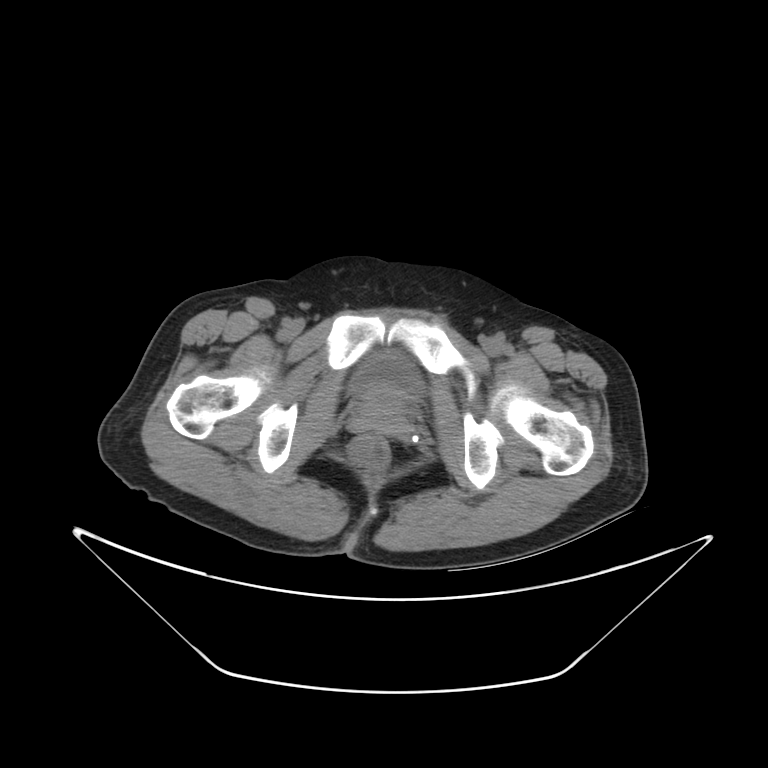

CT abdomen — Axial slice 9/91 — soft-tissue window (W 400 / L 40) — 768x768 px
Organ boxes in pixel coordinates; each row gives the top-left (x1, y1) and bottom-right (x2, y2) corners.
| organ | x1 | y1 | x2 | y2 |
|---|---|---|---|---|
| bladder | 351 | 351 | 418 | 399 |